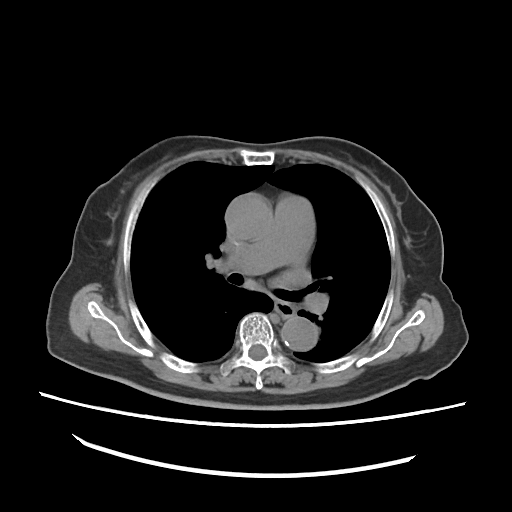

Abdominal CT; this slice is in the lower chest, just above the liver; axial view; 512x512 px; scan has 15 labeled organs (that count is for the whole scan; organs this slice misses have no box)
The heart and lungs are never labeled in this dataset, so they have no box on this slice. Bounding boxes as [x1, y1, x2, y2] in pixel coordinates. The annotated organs in this slice are: esophagus at [274, 301, 295, 318], aorta at [225, 194, 272, 241], aorta at [279, 319, 316, 351].